CT abdomen. axial view. 63-year-old male patient. scan has 13 labeled organs (a whole-scan count: organs this slice does not pass through have no box)
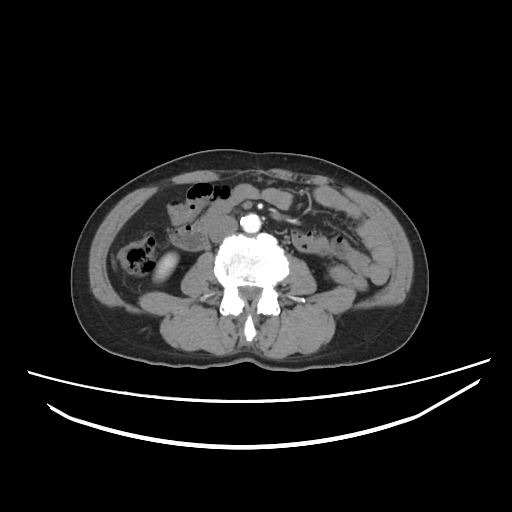
<organs><organ name="right kidney" x1="154" y1="253" x2="177" y2="281"/><organ name="aorta" x1="240" y1="213" x2="261" y2="232"/><organ name="inferior vena cava" x1="208" y1="215" x2="237" y2="242"/><organ name="duodenum" x1="172" y1="211" x2="216" y2="250"/></organs>